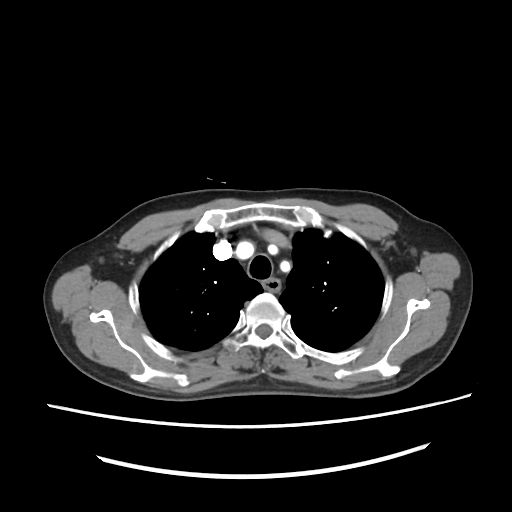
Chest-level slice from an abdominal CT that extends up into the chest — axial view
At this level of the chest no structure but the esophagus and the aorta has a label in this dataset, and those two are boxed only where they are labeled.
<organs><organ name="esophagus" x1="262" y1="278" x2="280" y2="291"/></organs>